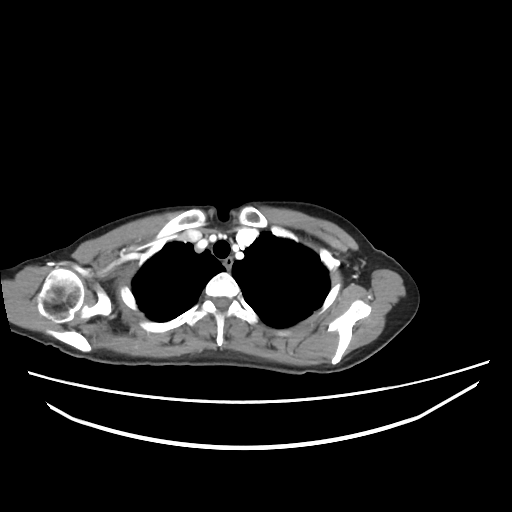

CT of the abdomen extending into the chest, slice through the chest. axial view. 43-year-old female patient. Aquilion ONE scanner
At this level of the chest this dataset labels only the esophagus and the aorta, and each is boxed only where it is labeled; the heart and lungs are never labeled.
One row per box, in pixels: columns x1 and y1 give the top-left corner, x2 and y2 the bottom-right.
| organ | x1 | y1 | x2 | y2 |
|---|---|---|---|---|
| esophagus | 225 | 257 | 232 | 268 |